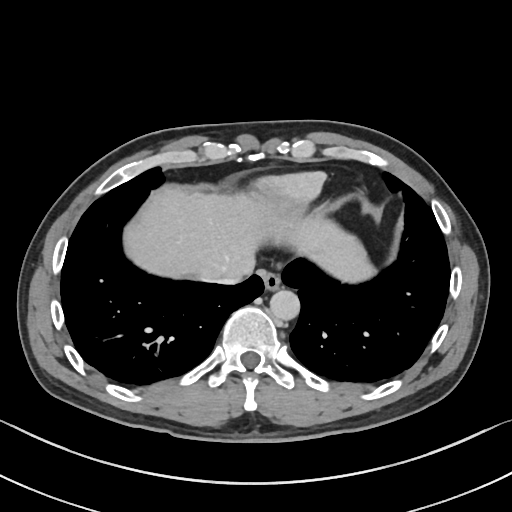 Abdominal CT; axial view; acquired on SOMATOM Force
<organs><organ name="esophagus" x1="258" y1="269" x2="281" y2="289"/><organ name="liver" x1="124" y1="188" x2="377" y2="282"/><organ name="aorta" x1="270" y1="289" x2="299" y2="320"/><organ name="inferior vena cava" x1="201" y1="275" x2="244" y2="283"/></organs>